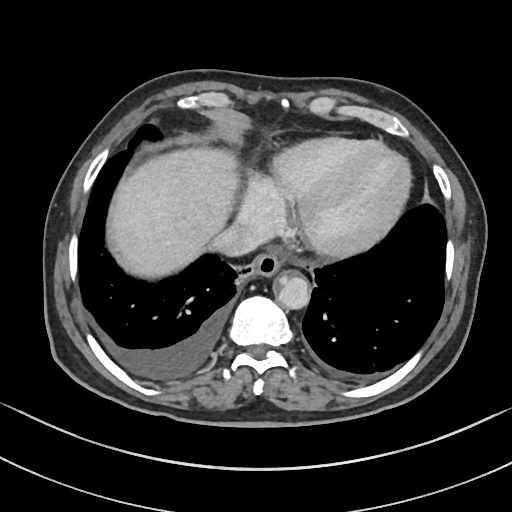

Abdominal CT; axial view; abdomen soft-tissue window; acquired on SOMATOM Force
Boxes: x1:y1:x2:y2 in pixels. Labeled organs on this slice: esophagus at 252:252:280:276, liver at 112:147:238:278, aorta at 276:275:309:309, inferior vena cava at 211:221:266:256.